Abdominal MRI · axial view · percentile-normalized · 288x232 px
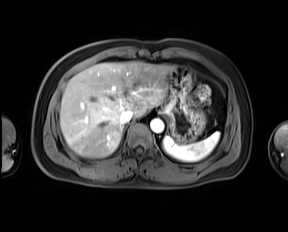 Boxes: x1 y1 x2 y2 (pixel coords, space-separated).
aorta: 150 118 163 132
stomach: 162 66 205 142
spleen: 162 132 219 161
inferior vena cava: 120 110 133 123
liver: 60 61 171 158